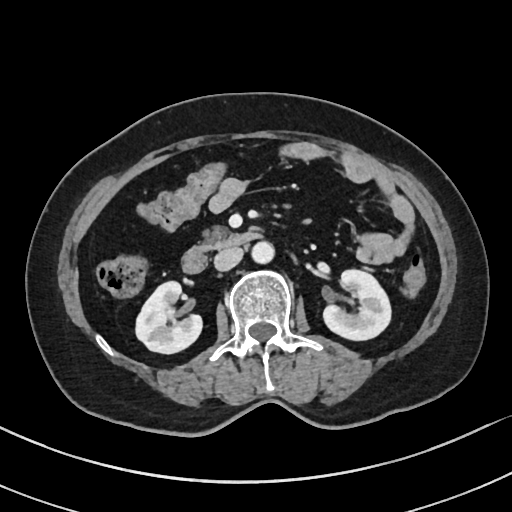 CT, abdomen/pelvis · Axial slice 144/314 · 512x512 px · 14 organs annotated in this scan (a whole-scan count: organs this slice does not pass through have no box)
Box edges are left/top/right/bottom in pixels.
right kidney: left=135, top=281, right=201, bottom=353
left kidney: left=323, top=269, right=391, bottom=340
aorta: left=251, top=241, right=274, bottom=263
inferior vena cava: left=214, top=247, right=243, bottom=270
pancreas: left=204, top=227, right=227, bottom=245
duodenum: left=182, top=230, right=261, bottom=273